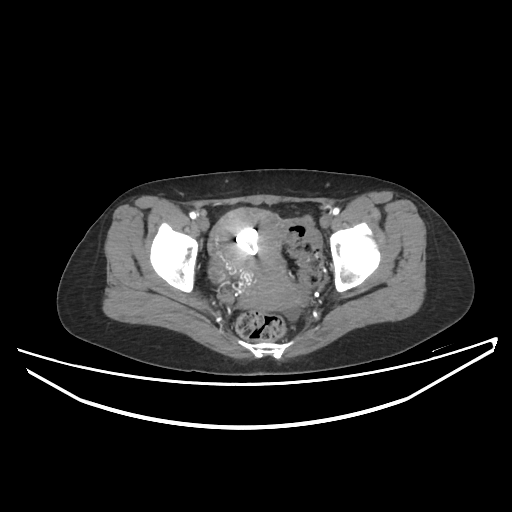 CT abdomen; axial view; abdomen soft-tissue window; 512x512 px; acquired on Aquilion ONE; scan has 15 labeled organs (a whole-scan count: organs this slice does not pass through have no box)
Coordinates as <box>x1,y1,x2,y2</box> in pixels.
Organ bounding boxes:
- prostate/uterus: <box>209,208,302,309</box>